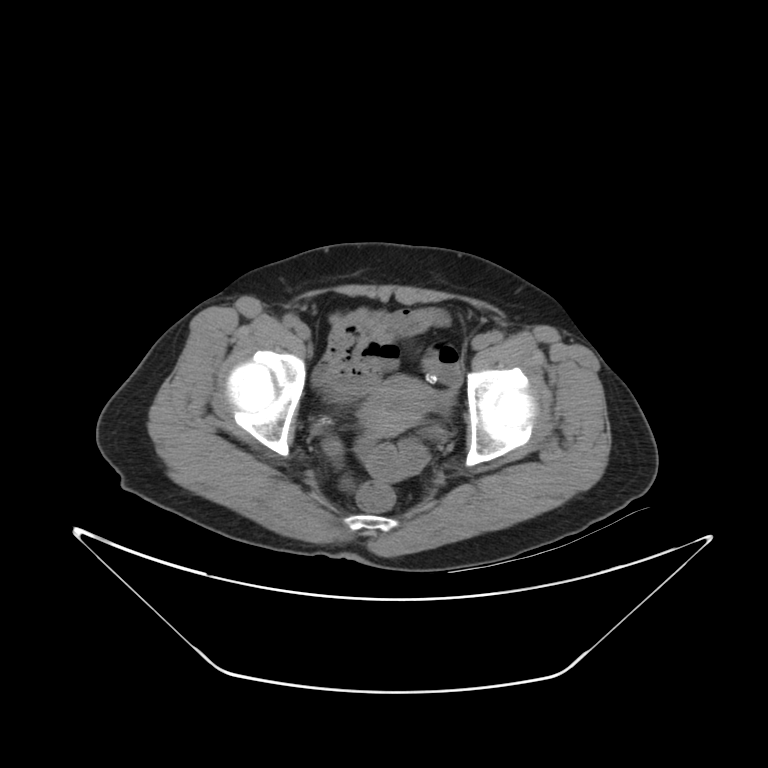 CT, abdomen/pelvis. axial plane, index 15. 56-year-old female patient. 15 organs annotated in this scan (a whole-scan count: organs this slice does not pass through have no box)
<organs><organ name="prostate/uterus" x1="363" y1="373" x2="428" y2="436"/></organs>